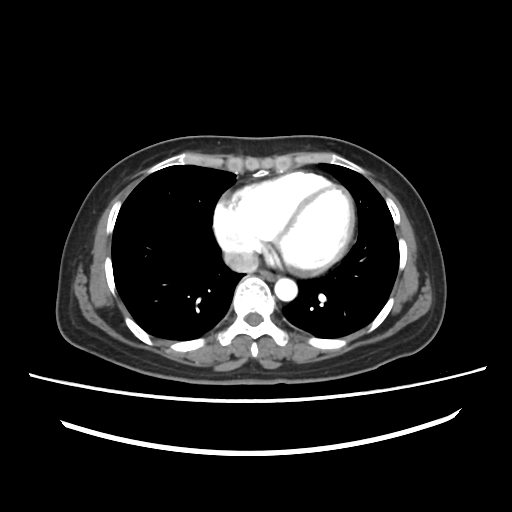 CT of the abdomen reaching into the lower chest, slice just above the liver and spleen; axial view; soft-tissue window; 512x512 px; Aquilion ONE scanner; 15 organs annotated in this scan (counted over the whole 3D scan, not this slice; an organ is boxed only where this slice passes through it)
No part of the heart or lungs is labeled in this dataset, so neither has a box here.
Bounding boxes in pixels, one row per box: x1, y1 is the top-left corner and x2, y2 the bottom-right.
| organ | x1 | y1 | x2 | y2 |
|---|---|---|---|---|
| esophagus | 261 | 271 | 277 | 280 |
| aorta | 274 | 278 | 297 | 301 |
| inferior vena cava | 224 | 250 | 258 | 272 |